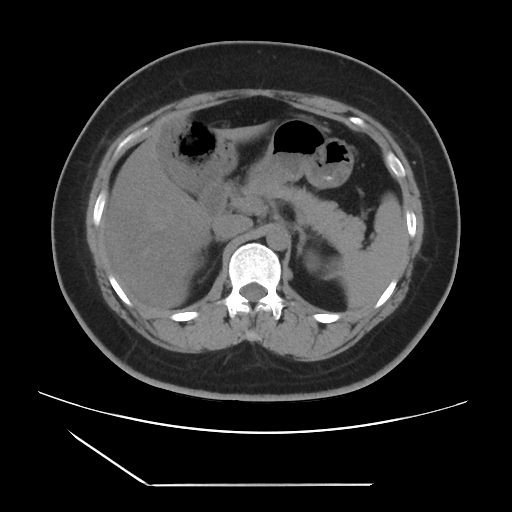
Computed tomography, abdomen — axial view — 512x512 px — SOMATOM Force scanner
Coordinates as <box>x1,y1,x2,y2</box> in pixels. Labeled organs on this slice: spleen at <box>339,198,405,308</box>, right kidney at <box>195,261,202,267</box>, left kidney at <box>306,251,322,271</box>, gall bladder at <box>157,127,199,192</box>, liver at <box>103,113,267,310</box>, stomach at <box>248,117,354,188</box>, aorta at <box>266,226,289,250</box>, inferior vena cava at <box>212,215,252,239</box>, pancreas at <box>233,183,365,250</box>, right adrenal gland at <box>209,236,225,242</box>, left adrenal gland at <box>295,225,308,254</box>, duodenum at <box>198,180,234,218</box>.